CT, abdomen/pelvis. axial plane, index 141. soft-tissue window (W 400 / L 40). 512x512 px
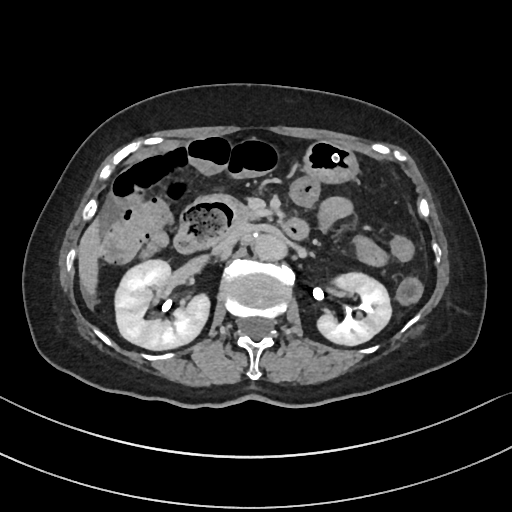
{"organs":{"aorta":[254,235,288,260],"left kidney":[318,273,390,344],"inferior vena cava":[212,226,247,254],"liver":[79,223,98,291],"duodenum":[174,196,306,254],"stomach":[304,141,357,182],"pancreas":[208,195,257,223],"right kidney":[114,258,208,349]}}